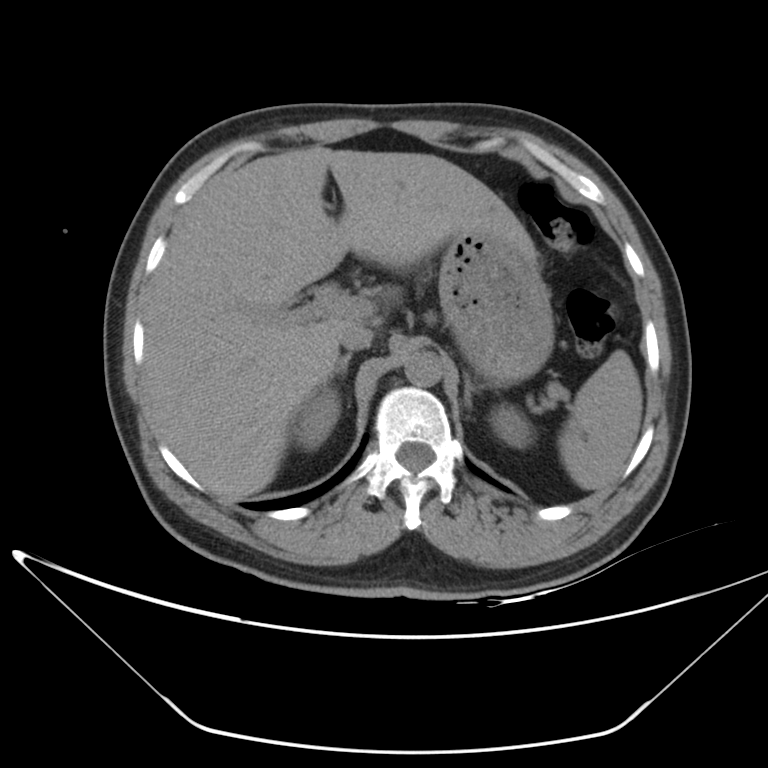

Abdominal CT — axial view — 768x768 px
One row per box, in pixels: columns x1 and y1 give the top-left corner, x2 and y2 the bottom-right.
| organ | x1 | y1 | x2 | y2 |
|---|---|---|---|---|
| spleen | 557 | 350 | 642 | 490 |
| right kidney | 292 | 387 | 339 | 450 |
| left kidney | 491 | 405 | 534 | 448 |
| liver | 142 | 145 | 533 | 500 |
| stomach | 439 | 231 | 554 | 386 |
| aorta | 403 | 350 | 442 | 386 |
| inferior vena cava | 340 | 323 | 373 | 349 |
| right adrenal gland | 331 | 353 | 352 | 377 |
| left adrenal gland | 464 | 374 | 481 | 410 |